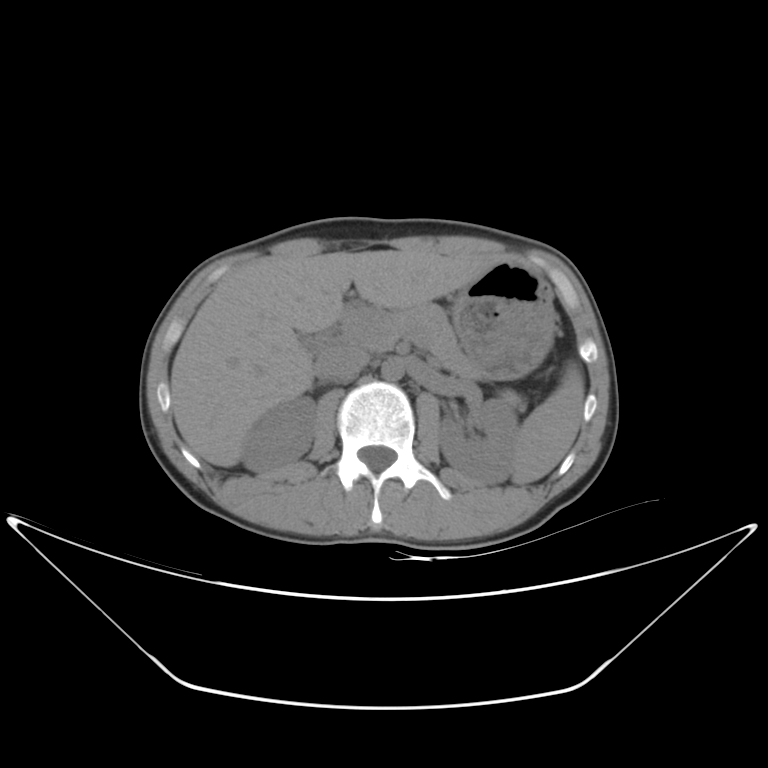 Computed tomography, abdomen · axial plane, index 64 · soft-tissue window (W 400 / L 40) · acquired on Brilliance16
Boxes are (x1, y1, x2, y2) in pixels. 8 labeled organs on this slice — liver at (170, 249, 491, 466); spleen at (512, 370, 584, 484); pancreas at (397, 307, 519, 404); aorta at (381, 359, 404, 380); left kidney at (437, 398, 518, 484); right kidney at (242, 397, 315, 472); inferior vena cava at (315, 346, 369, 380); stomach at (453, 262, 555, 379).